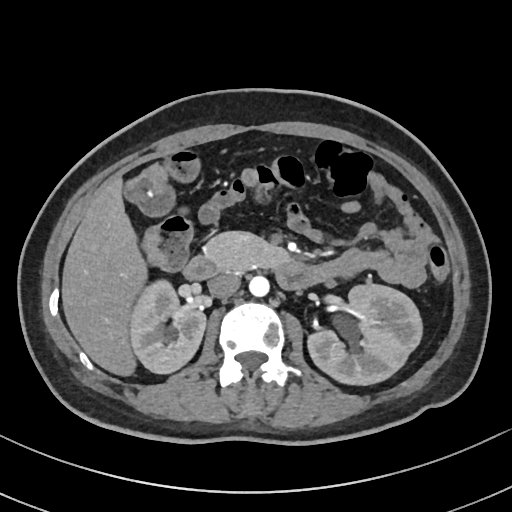
Computed tomography, abdomen — Axial slice 125/191 — 512x512 px
Each box given as x1,y1,x2,y2.
right kidney: x1=130, y1=279, x2=205, y2=373
left kidney: x1=307, y1=284, x2=422, y2=384
liver: x1=62, y1=177, x2=147, y2=375
aorta: x1=249, y1=276, x2=269, y2=296
inferior vena cava: x1=208, y1=273, x2=240, y2=298
pancreas: x1=204, y1=231, x2=291, y2=271
duodenum: x1=183, y1=255, x2=318, y2=289